Abdominal MR; coronal plane, index 33; 260x320 px; acquired on Prisma
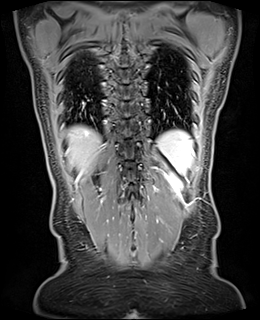 Bounding boxes as [x1, y1, x2, y2] in pixel coordinates.
spleen: [157, 130, 194, 174]
left kidney: [169, 176, 180, 190]
liver: [67, 125, 101, 173]